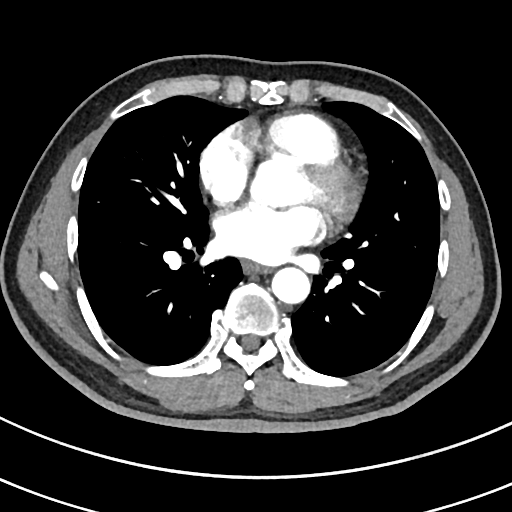 Chest-level slice from an abdominal CT that extends up into the chest — axial view — W/L 400/40 HU
On a slice this high in the chest, this dataset labels only the esophagus and the aorta, and each is boxed only where it is labeled; the heart, lungs and other chest structures are not labeled. Boxes: x1:y1:x2:y2 in pixels. Labeled organs on this slice: aorta at 271:266:309:302, esophagus at 242:261:268:273.